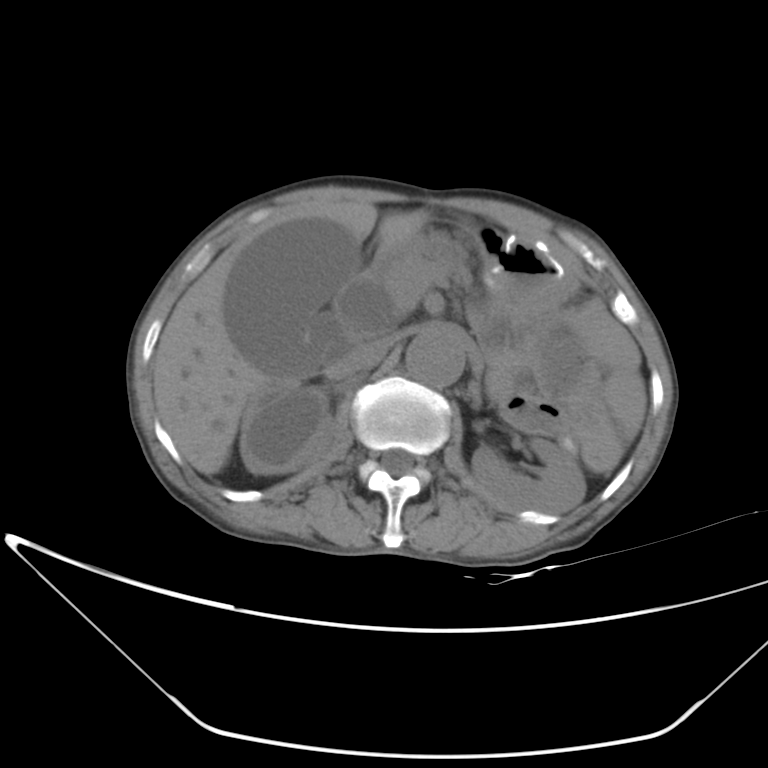

Computed tomography, abdomen; Axial slice 58/82; soft-tissue window (W 400 / L 40); 768x768 px; 66-year-old male patient
<organs><organ name="aorta" x1="406" y1="331" x2="463" y2="387"/><organ name="spleen" x1="606" y1="366" x2="645" y2="439"/><organ name="gall bladder" x1="224" y1="218" x2="355" y2="372"/><organ name="right kidney" x1="240" y1="375" x2="333" y2="473"/><organ name="inferior vena cava" x1="330" y1="338" x2="392" y2="379"/><organ name="liver" x1="154" y1="201" x2="428" y2="475"/><organ name="pancreas" x1="390" y1="234" x2="474" y2="288"/><organ name="left kidney" x1="471" y1="438" x2="585" y2="512"/></organs>